MRI, abdomen — coronal view — 260x320 px
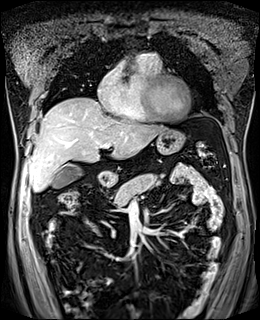
<organs><organ name="gall bladder" x1="51" y1="163" x2="82" y2="188"/><organ name="liver" x1="28" y1="97" x2="166" y2="191"/><organ name="stomach" x1="96" y1="128" x2="185" y2="185"/><organ name="pancreas" x1="114" y1="173" x2="160" y2="206"/></organs>